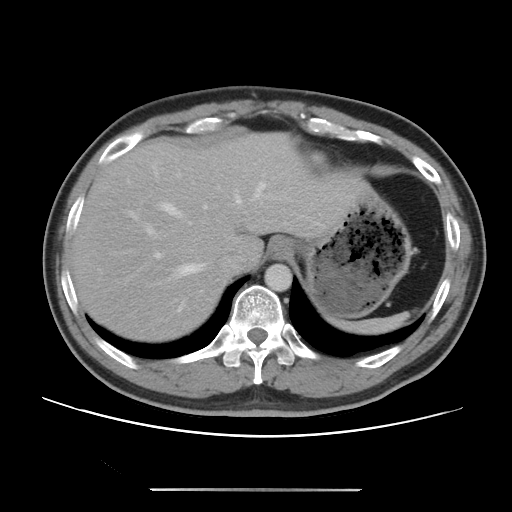
Abdominal CT; axial plane, index 84; soft-tissue window
Boxes are (x1, y1, x2, y2) in pixels.
Organ bounding boxes:
- spleen: (328, 312, 409, 334)
- esophagus: (268, 236, 295, 259)
- liver: (70, 131, 372, 342)
- stomach: (301, 191, 412, 319)
- aorta: (264, 263, 292, 291)
- inferior vena cava: (219, 251, 246, 275)